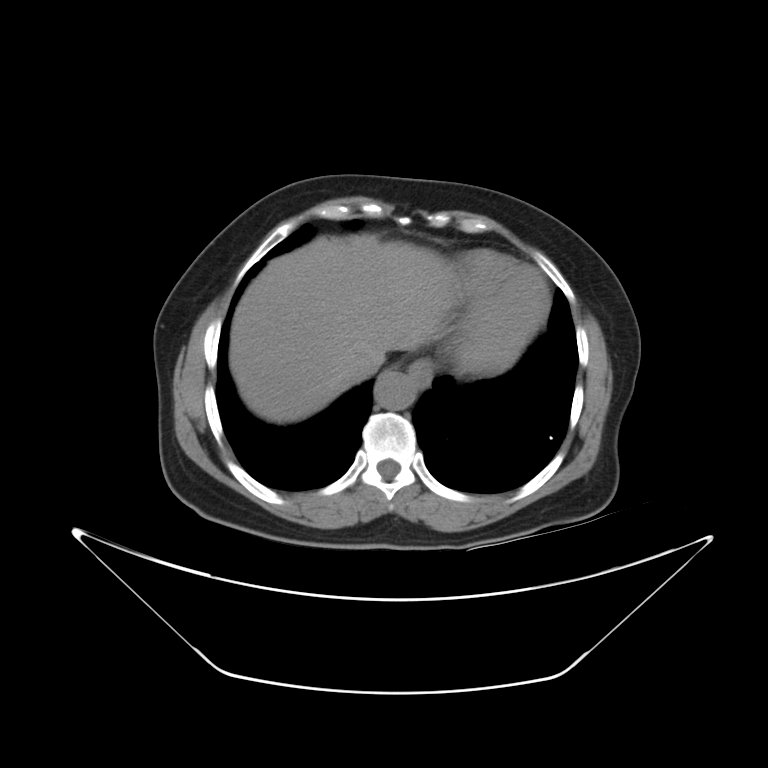
CT abdomen · axial view · abdomen soft-tissue window · 768x768 px · acquired on Brilliance16
Organ boxes in pixel coordinates; each row gives the top-left (x1, y1) and bottom-right (x2, y2) corners.
| organ | x1 | y1 | x2 | y2 |
|---|---|---|---|---|
| esophagus | 408 | 354 | 431 | 389 |
| liver | 227 | 234 | 452 | 424 |
| aorta | 371 | 371 | 416 | 411 |
| inferior vena cava | 354 | 358 | 379 | 382 |